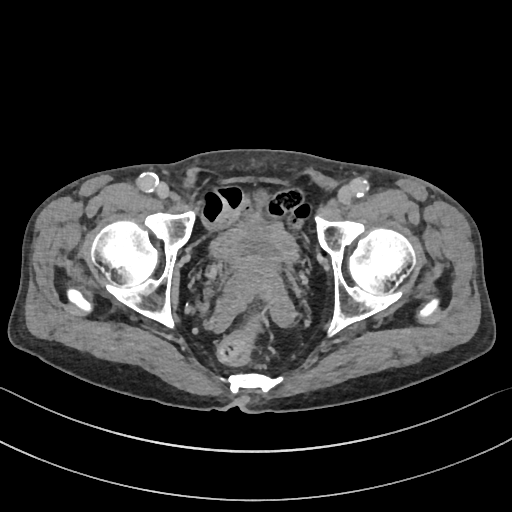 CT, abdomen/pelvis — axial plane, index 37 — scan has 15 labeled organs (that count is for the whole scan; organs this slice misses have no box)
{"organs":{"bladder":[208,216,298,270],"prostate/uterus":[234,259,274,281]}}